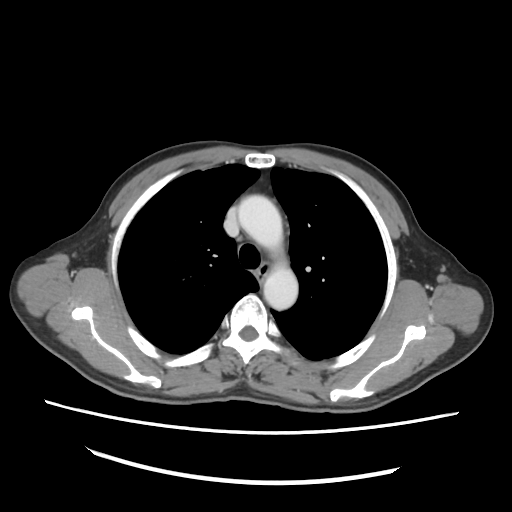 Chest-level CT slice, above the liver and spleen; Axial slice 98/112; soft-tissue window (W 400 / L 40); Aquilion ONE scanner; 15 organs annotated in this scan (a whole-scan count: organs this slice does not pass through have no box)
At this level of the chest no structure but the esophagus and the aorta has a label in this dataset, and those two are boxed only where they are labeled. Boxes are (x1, y1, x2, y2) in pixels. The annotated organs in this slice are: esophagus at (256, 262, 271, 281), aorta at (238, 195, 298, 310).